Abdominal CT — axial view — abdomen soft-tissue window
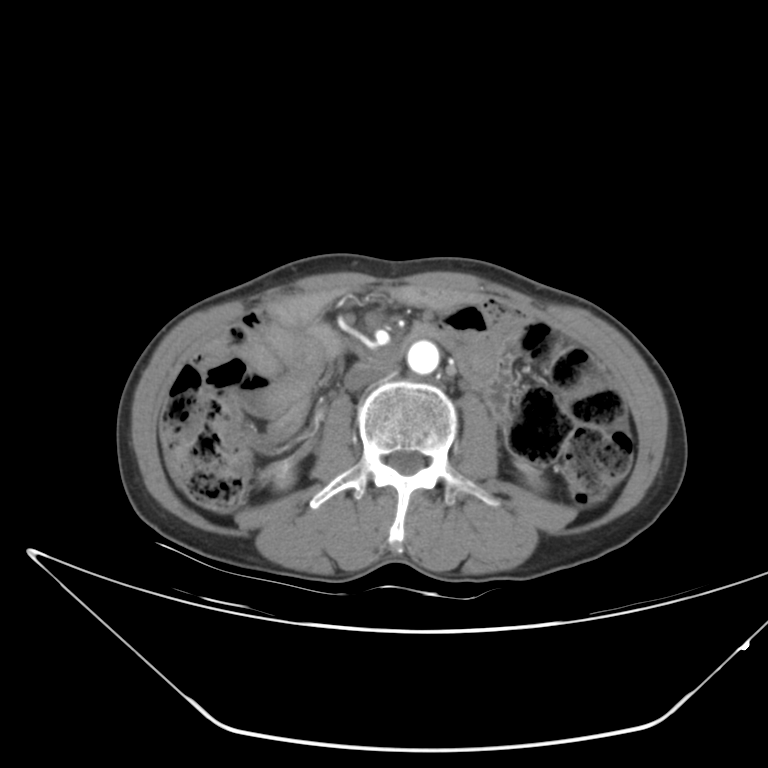 {"organs":{"right kidney":[272,461,293,488],"aorta":[407,340,439,374],"inferior vena cava":[345,363,393,390]}}